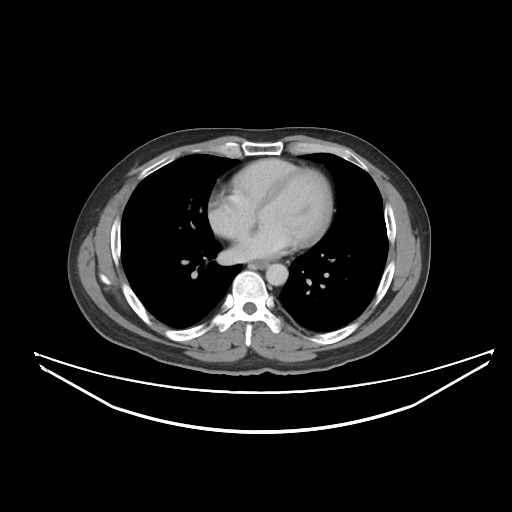
Abdominal CT; this slice is in the lower chest, just above the liver — axial view — soft-tissue window (W 400 / L 40) — 512x512 px — 40-year-old male patient
Of the structures in the chest, this dataset labels only the esophagus, the aorta and the inferior vena cava; the heart and lungs have no label.
Organ boxes in pixel coordinates; each row gives the top-left (x1, y1) and bottom-right (x2, y2) corners.
| organ | x1 | y1 | x2 | y2 |
|---|---|---|---|---|
| esophagus | 252 | 261 | 268 | 268 |
| aorta | 266 | 263 | 288 | 285 |